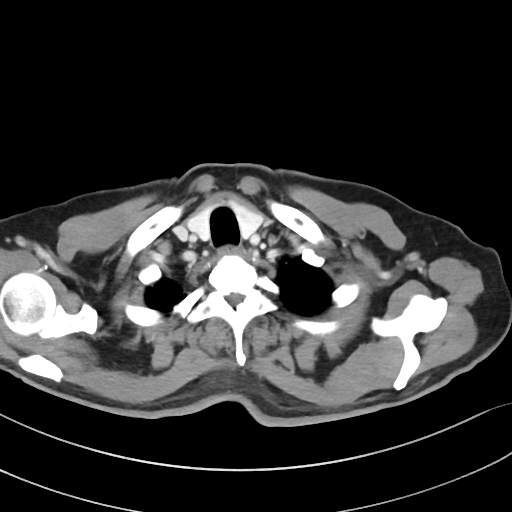 Chest-level slice from an abdominal CT that extends up into the chest · axial view · soft-tissue window · 512x512 px
On a slice this high in the chest, this dataset labels only the esophagus and the aorta, and each is boxed only where it is labeled; the heart, lungs and other chest structures are not labeled.
Bounding boxes as [x1, y1, x2, y2] in pixel coordinates.
Organ bounding boxes:
- esophagus: [218, 248, 242, 255]